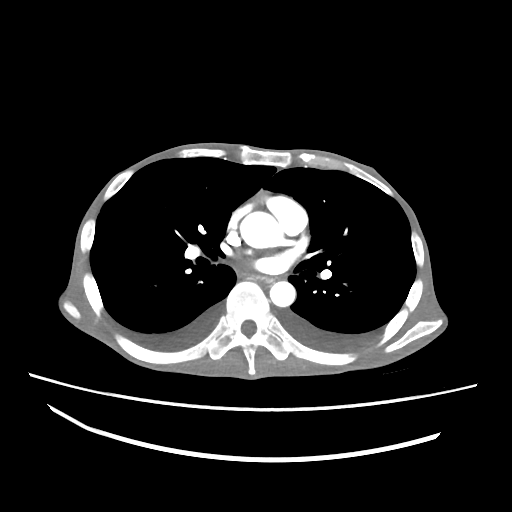 CT of the abdomen extending into the chest, slice through the chest. axial view. 47-year-old male patient
At this level of the chest no structure but the esophagus and the aorta has a label in this dataset, and those two are boxed only where they are labeled.
{"organs":{"esophagus":[254,275,273,283],"aorta":[[240,211,283,248],[269,281,295,306]]}}